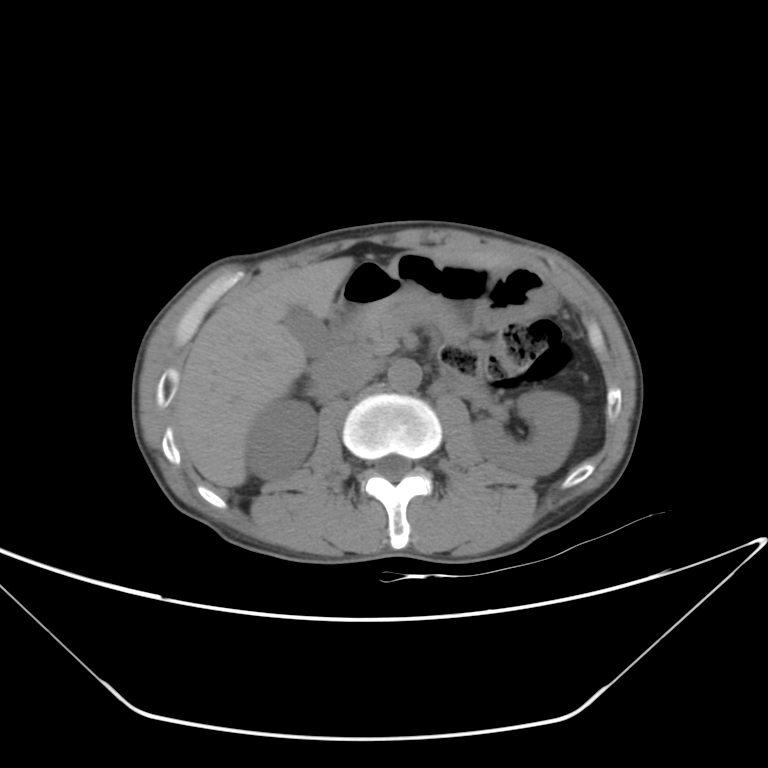
CT abdomen. Axial slice 62/79. 53-year-old male patient
Boxes are (x1, y1, x2, y2) in pixels.
Organ bounding boxes:
- right kidney: (246, 400, 316, 479)
- left kidney: (469, 389, 579, 478)
- gall bladder: (285, 306, 330, 358)
- liver: (174, 246, 518, 488)
- stomach: (342, 252, 555, 331)
- aorta: (388, 359, 421, 391)
- inferior vena cava: (320, 351, 376, 391)
- pancreas: (346, 299, 461, 353)
- duodenum: (314, 299, 356, 367)